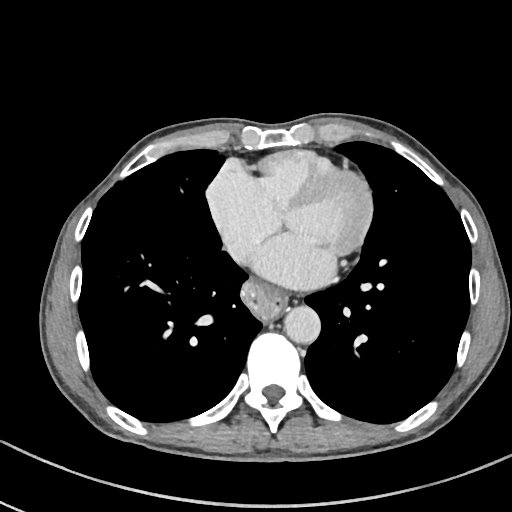

CT of the abdomen reaching into the lower chest, slice just above the liver and spleen. axial view. 512x512 px
No part of the heart or lungs is labeled in this dataset, so neither has a box here.
{"organs":{"esophagus":[242,283,285,320],"aorta":[284,306,320,344]}}